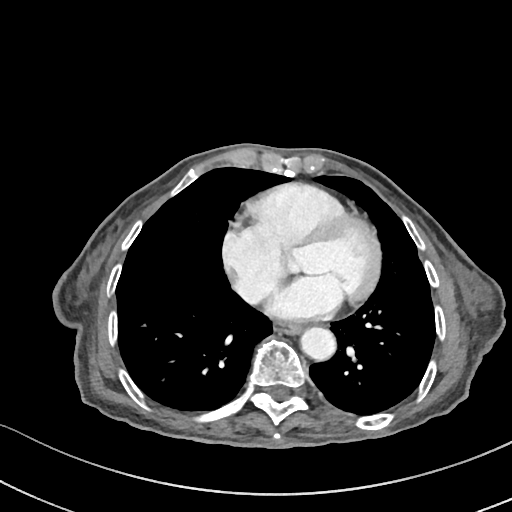

CT of the abdomen reaching into the lower chest, slice just above the liver and spleen — axial view — 512x512 px
The heart and lungs are never labeled in this dataset, so they have no box on this slice.
Bounding boxes in pixels, one row per box: x1, y1 is the top-left corner and x2, y2 the bottom-right.
| organ | x1 | y1 | x2 | y2 |
|---|---|---|---|---|
| esophagus | 274 | 322 | 301 | 334 |
| aorta | 300 | 327 | 335 | 360 |